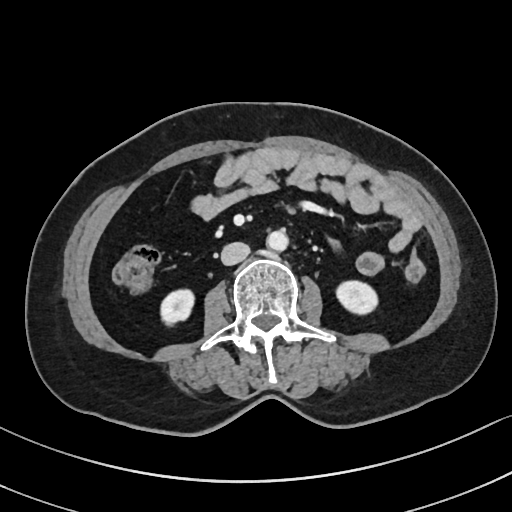 Abdominal CT · Axial slice 126/314 · abdomen soft-tissue window · 512x512 px · SOMATOM Force scanner
{"organs":{"right kidney":[160,289,194,325],"left kidney":[336,281,377,314],"aorta":[266,230,288,251],"inferior vena cava":[220,242,250,265]}}